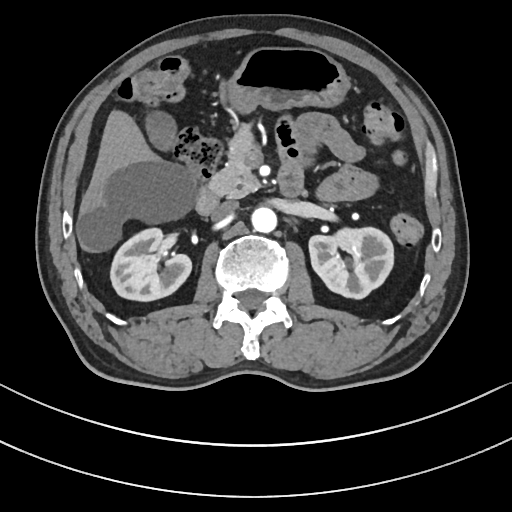

CT abdomen · axial view · 512x512 px · 15 organs annotated in this scan (a whole-scan count: organs this slice does not pass through have no box)
Box edges are left/top/right/bottom in pixels.
Organ bounding boxes:
- right kidney: left=110, top=227, right=191, bottom=301
- left kidney: left=308, top=227, right=393, bottom=298
- gall bladder: left=146, top=111, right=175, bottom=149
- liver: left=78, top=110, right=196, bottom=251
- stomach: left=226, top=46, right=349, bottom=113
- aorta: left=251, top=206, right=277, bottom=232
- inferior vena cava: left=210, top=200, right=238, bottom=221
- pancreas: left=209, top=127, right=260, bottom=198
- duodenum: left=196, top=162, right=303, bottom=214